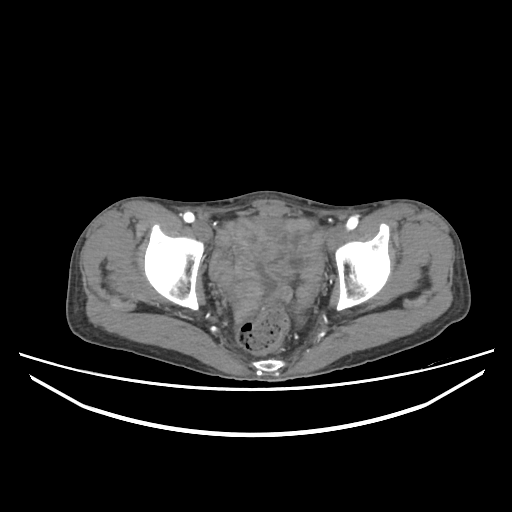

CT, abdomen/pelvis; axial view; soft-tissue window
Bounding boxes in pixels, one row per box: x1, y1 is the top-left corner and x2, y2 the bottom-right.
| organ | x1 | y1 | x2 | y2 |
|---|---|---|---|---|
| bladder | 253 | 216 | 282 | 230 |